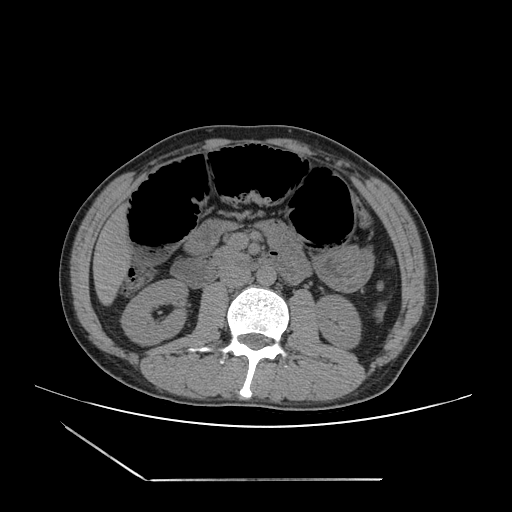 Abdominal CT · axial view · abdomen soft-tissue window · 512x512 px · scan has 15 labeled organs (counted over the whole 3D scan, not this slice; an organ is boxed only where this slice passes through it)
Organ boxes in pixel coordinates; each row gives the top-left (x1, y1) and bottom-right (x2, y2) corners.
| organ | x1 | y1 | x2 | y2 |
|---|---|---|---|---|
| spleen | 375 | 304 | 384 | 319 |
| right kidney | 121 | 279 | 187 | 344 |
| left kidney | 315 | 295 | 361 | 348 |
| liver | 93 | 204 | 130 | 305 |
| stomach | 315 | 246 | 374 | 290 |
| aorta | 256 | 265 | 275 | 285 |
| inferior vena cava | 220 | 266 | 250 | 287 |
| pancreas | 215 | 246 | 248 | 263 |
| duodenum | 171 | 250 | 302 | 287 |